CT abdomen; axial plane, index 14; soft-tissue window (W 400 / L 40); 768x768 px; 40-year-old male patient
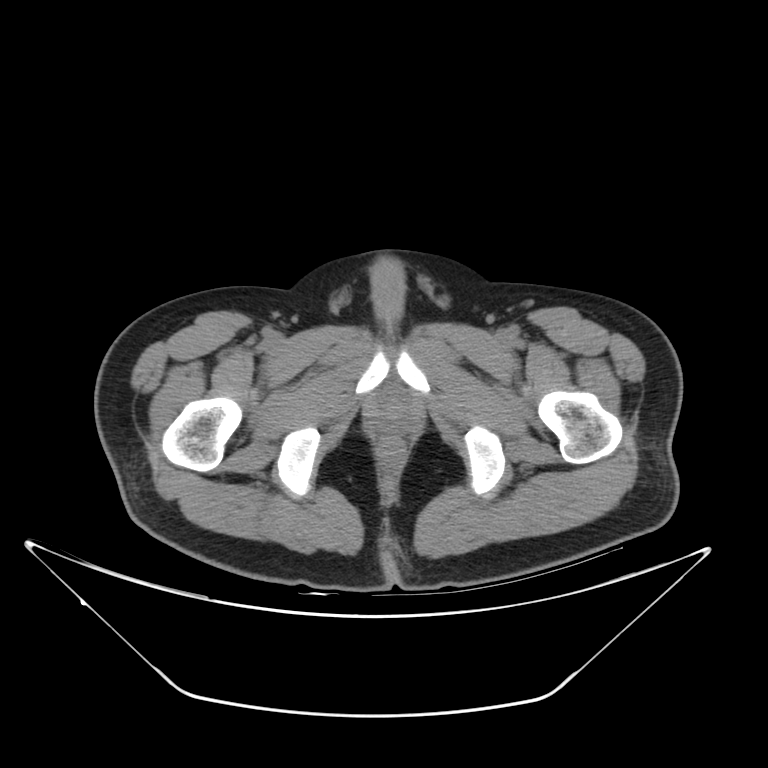
{"organs":{"prostate/uterus":[374,396,411,428]}}